Abdominal CT. axial view. 83-year-old male patient. 15 organs annotated in this scan (counted over the whole 3D scan, not this slice; an organ is boxed only where this slice passes through it)
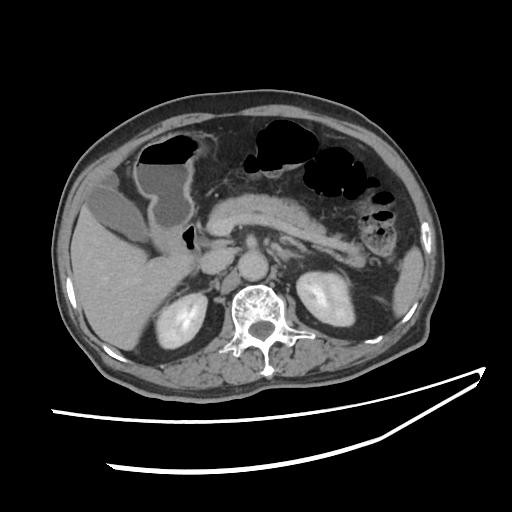

<organs><organ name="spleen" x1="393" y1="248" x2="422" y2="318"/><organ name="right kidney" x1="155" y1="292" x2="208" y2="348"/><organ name="left kidney" x1="297" y1="271" x2="355" y2="325"/><organ name="gall bladder" x1="90" y1="173" x2="149" y2="241"/><organ name="liver" x1="71" y1="202" x2="191" y2="350"/><organ name="stomach" x1="134" y1="129" x2="213" y2="254"/><organ name="aorta" x1="237" y1="252" x2="267" y2="281"/><organ name="inferior vena cava" x1="199" y1="248" x2="233" y2="272"/><organ name="pancreas" x1="211" y1="194" x2="371" y2="268"/><organ name="left adrenal gland" x1="271" y1="245" x2="302" y2="262"/><organ name="duodenum" x1="175" y1="224" x2="202" y2="273"/></organs>